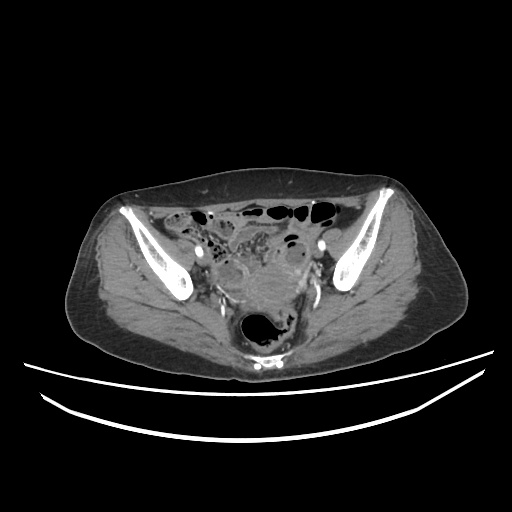 CT, abdomen/pelvis. axial view. 63-year-old female patient. acquired on Aquilion ONE
Coordinates as <box>x1,y1,x2,y2</box> in pixels.
Organ bounding boxes:
- prostate/uterus: <box>247,266,295,305</box>